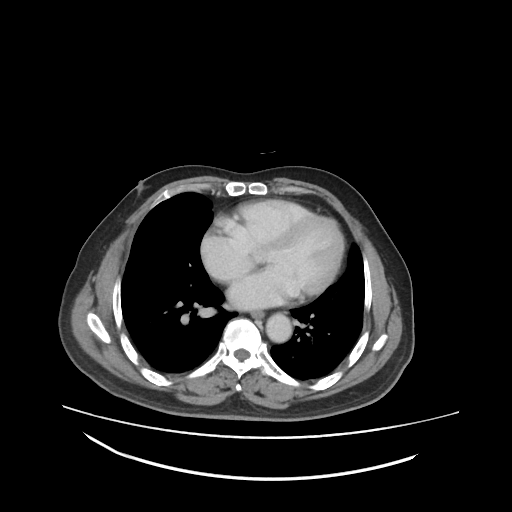

CT of the abdomen reaching into the lower chest, slice just above the liver and spleen. axial view. soft-tissue window (W 400 / L 40). 66-year-old male patient
The heart and lungs are never labeled in this dataset, so they have no box on this slice.
Each box given as x1,y1,x2,y2.
esophagus: x1=250, y1=310, x2=265, y2=318
aorta: x1=266, y1=314, x2=292, y2=342